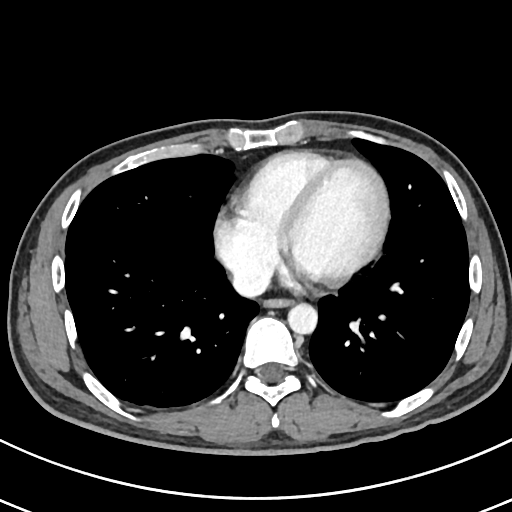
Lower-chest slice from an abdominal CT, just above the liver and spleen · axial view
No part of the heart or lungs is labeled in this dataset, so neither has a box here.
Bounding boxes as [x1, y1, x2, y2] in pixel coordinates.
esophagus: [264, 300, 290, 308]
aorta: [287, 303, 317, 335]
inferior vena cava: [233, 267, 268, 295]